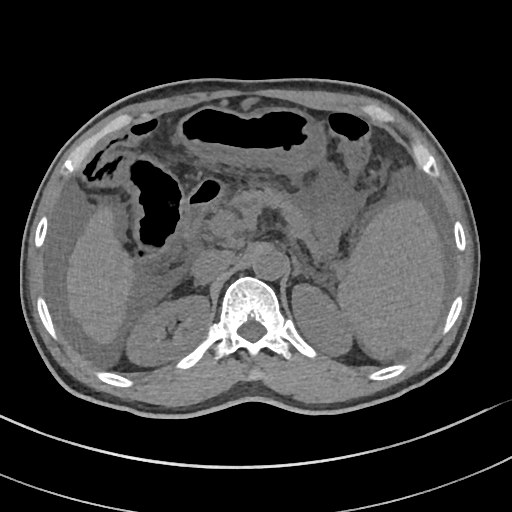 Abdominal CT — axial view — SOMATOM Force scanner
{"organs":{"inferior vena cava":[191,250,234,282],"pancreas":[221,187,312,244],"spleen":[337,199,444,357],"stomach":[177,106,347,253],"right adrenal gland":[195,281,203,285],"aorta":[252,247,286,280],"liver":[67,207,133,342],"left kidney":[291,283,354,357],"duodenum":[180,181,221,245],"left adrenal gland":[292,257,318,277],"right kidney":[126,295,209,365]}}